Computed tomography, abdomen — axial view — abdomen soft-tissue window — SOMATOM Force scanner — scan has 15 labeled organs (a whole-scan count: organs this slice does not pass through have no box)
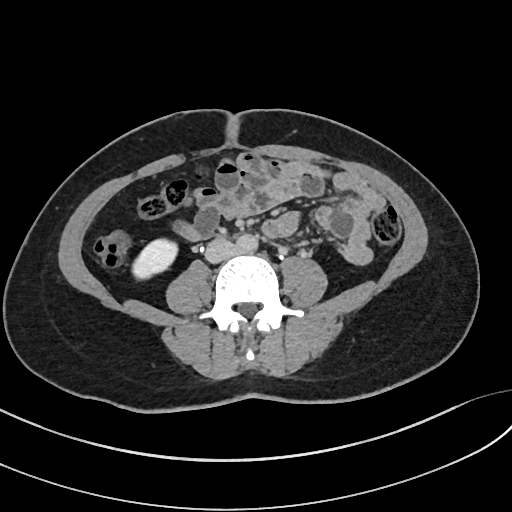
Coordinates as <box>x1,y1,x2,y2</box> in pixels.
Organ bounding boxes:
- aorta: <box>238,234,257,252</box>
- inferior vena cava: <box>204,238,237,263</box>
- right kidney: <box>132,239,178,279</box>